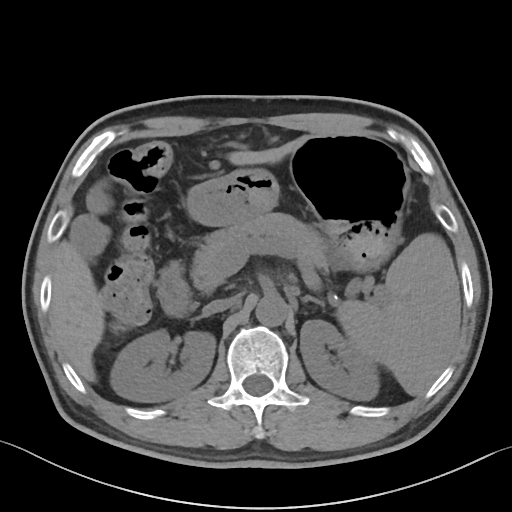
Abdominal CT; axial plane, index 72; 15 organs annotated in this scan (a whole-scan count: organs this slice does not pass through have no box)
Boxes are (x1, y1, x2, y2) in pixels.
spleen: (336, 233, 460, 394)
right kidney: (110, 330, 215, 402)
left kidney: (300, 320, 379, 400)
liver: (51, 135, 307, 382)
stomach: (187, 134, 409, 271)
aorta: (255, 295, 287, 326)
inferior vena cava: (202, 298, 234, 316)
pancreas: (191, 213, 330, 292)
right adrenal gland: (196, 316, 202, 318)
left adrenal gland: (302, 295, 324, 306)
duodenum: (157, 261, 194, 317)